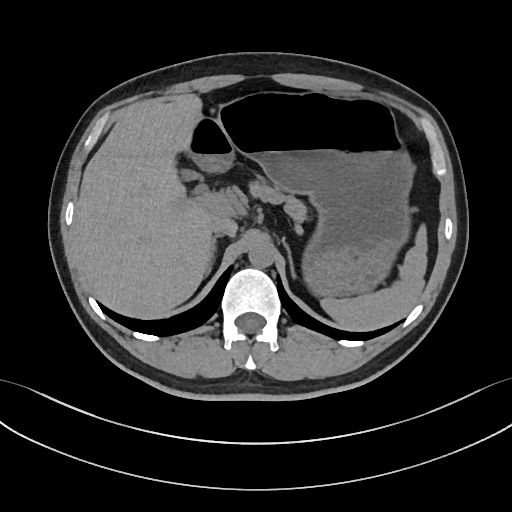

Abdominal CT; axial view; soft-tissue window (W 400 / L 40)
Bounding boxes as [x1, y1, x2, y2] in pixel coordinates. Labeled organs on this slice: spleen at [320, 226, 426, 329], gall bladder at [183, 171, 198, 179], liver at [73, 93, 232, 317], stomach at [190, 93, 413, 298], aorta at [248, 242, 274, 268], inferior vena cava at [211, 217, 238, 237], pancreas at [250, 182, 303, 223], right adrenal gland at [206, 237, 217, 274], left adrenal gland at [284, 244, 294, 275].